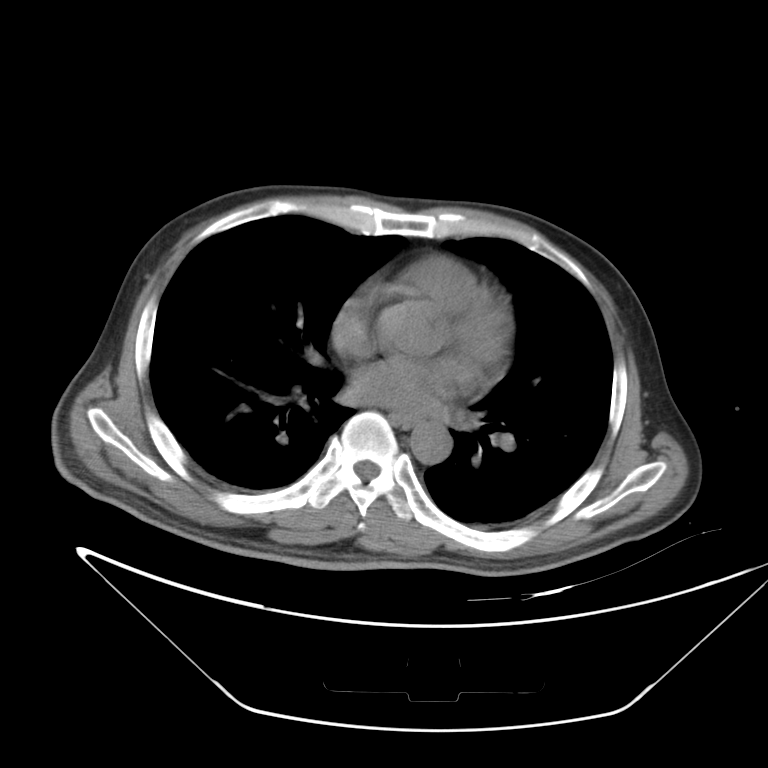

Lower-chest slice from an abdominal CT, just above the liver and spleen; axial view; soft-tissue window (W 400 / L 40); 47-year-old male patient; scan has 15 labeled organs (a whole-scan count: organs this slice does not pass through have no box)
No part of the heart or lungs is labeled in this dataset, so neither has a box here.
Organ boxes in pixel coordinates; each row gives the top-left (x1, y1) and bottom-right (x2, y2) corners.
| organ | x1 | y1 | x2 | y2 |
|---|---|---|---|---|
| esophagus | 389 | 412 | 421 | 431 |
| aorta | 410 | 422 | 452 | 464 |